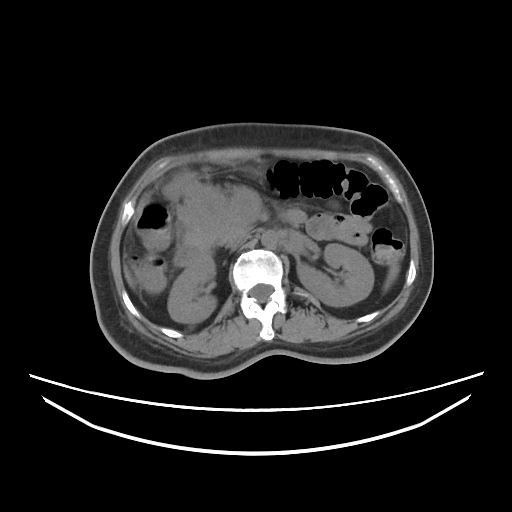 Abdominal CT. axial view. 49-year-old female patient
One row per box, in pixels: columns x1 and y1 give the top-left corner, x2 and y2 the bottom-right.
| organ | x1 | y1 | x2 | y2 |
|---|---|---|---|---|
| spleen | 383 | 261 | 399 | 290 |
| right kidney | 168 | 256 | 216 | 323 |
| left kidney | 297 | 243 | 374 | 306 |
| liver | 126 | 274 | 132 | 286 |
| stomach | 166 | 174 | 260 | 247 |
| aorta | 260 | 230 | 278 | 248 |
| inferior vena cava | 226 | 231 | 249 | 248 |
| pancreas | 213 | 210 | 303 | 245 |
| duodenum | 174 | 244 | 208 | 266 |